CT of the abdomen reaching into the lower chest, slice just above the liver and spleen; axial view; 768x768 px; 62-year-old male patient
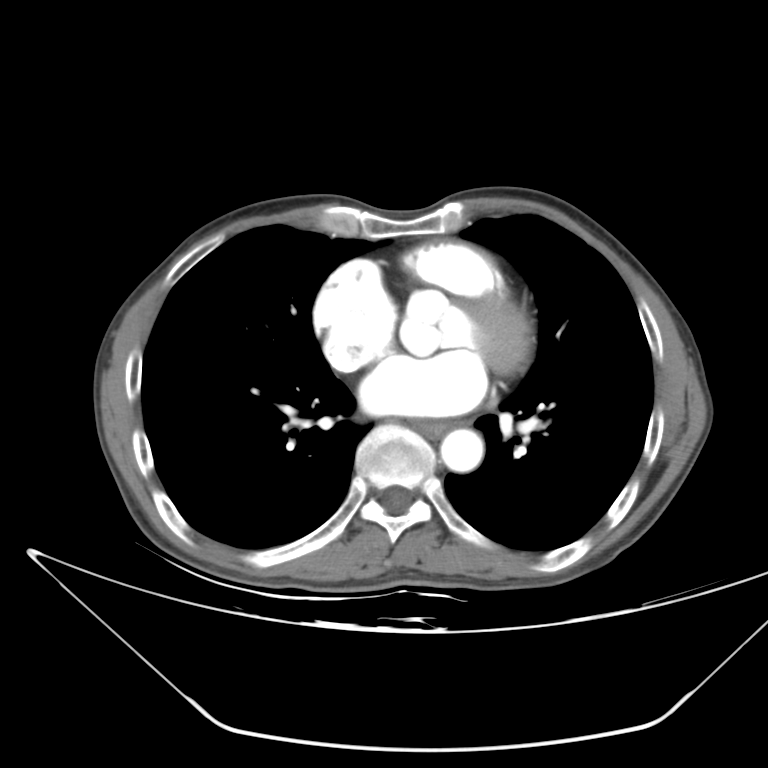
The heart and lungs are never labeled in this dataset, so they have no box on this slice.
Bounding boxes in pixels, one row per box: x1, y1 is the top-left corner and x2, y2 the bottom-right.
| organ | x1 | y1 | x2 | y2 |
|---|---|---|---|---|
| esophagus | 413 | 420 | 449 | 435 |
| aorta | 440 | 429 | 483 | 472 |